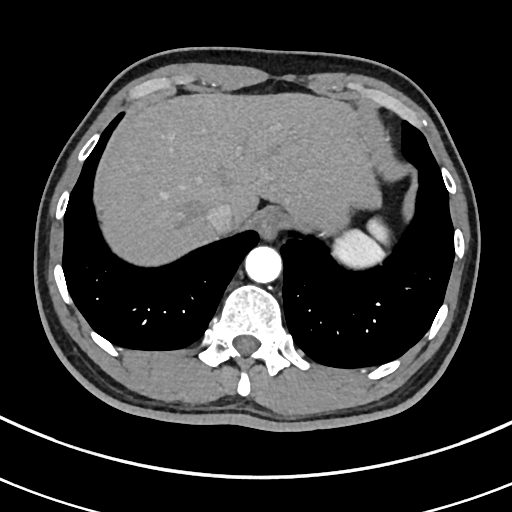
CT abdomen; axial view; abdomen soft-tissue window; 512x512 px
{"organs":{"spleen":[332,217,391,267],"esophagus":[255,207,287,238],"liver":[99,91,382,265],"aorta":[244,246,281,283],"inferior vena cava":[207,203,235,234]}}